Abdominal CT. Axial slice 49/305. 15 organs annotated in this scan (a whole-scan count: organs this slice does not pass through have no box)
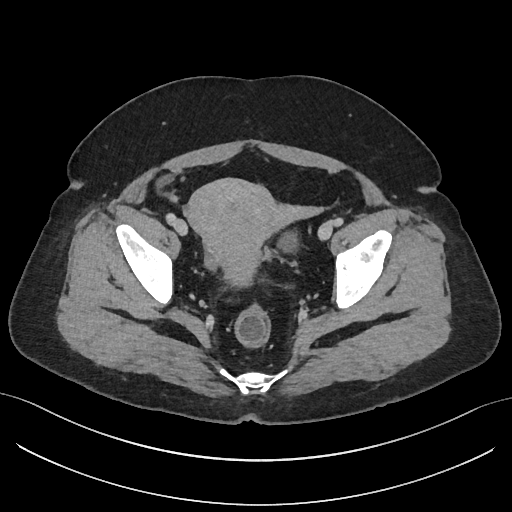 Box edges are left/top/right/bottom in pixels.
Organ bounding boxes:
- bladder: left=278, top=233, right=297, bottom=249
- prostate/uterus: left=185, top=179, right=273, bottom=286